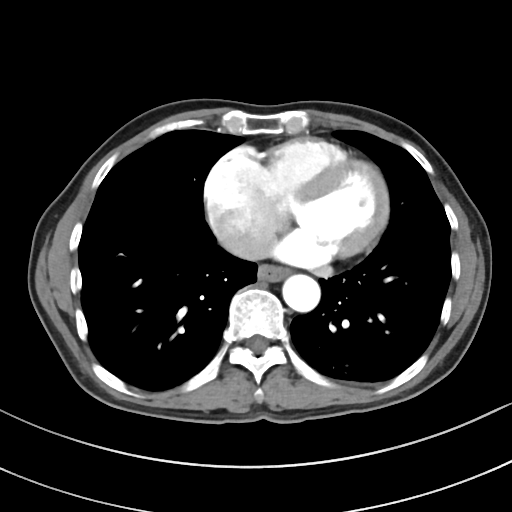

Abdominal CT; this slice is in the lower chest, just above the liver · Axial slice 87/89 · 15 organs annotated in this scan (counted over the whole 3D scan, not this slice; an organ is boxed only where this slice passes through it)
No part of the heart or lungs is labeled in this dataset, so neither has a box here. Each box given as x1,y1,x2,y2. The annotated organs in this slice are: esophagus at x1=258, y1=265, x2=289, y2=281, aorta at x1=282, y1=274, x2=320, y2=312.